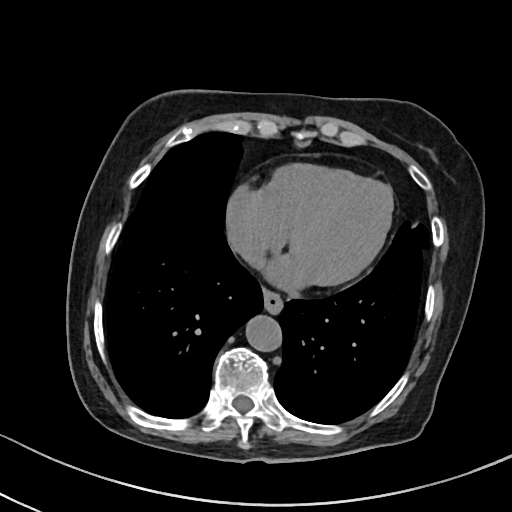 Abdominal CT; this slice is in the lower chest, just above the liver; axial view; soft-tissue window; 512x512 px; 15 organs annotated in this scan (counted over the whole 3D scan, not this slice; an organ is boxed only where this slice passes through it)
The heart and lungs are never labeled in this dataset, so they have no box on this slice.
Bounding boxes in pixels, one row per box: x1, y1 is the top-left corner and x2, y2 the bottom-right.
| organ | x1 | y1 | x2 | y2 |
|---|---|---|---|---|
| esophagus | 263 | 290 | 283 | 314 |
| aorta | 245 | 315 | 281 | 351 |
| inferior vena cava | 230 | 235 | 254 | 257 |